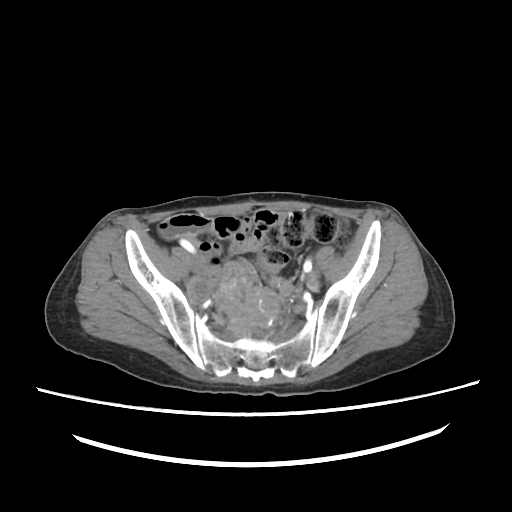 CT abdomen · axial view · Aquilion ONE scanner
Boxes: x1:y1:x2:y2 in pixels.
Organ bounding boxes:
- prostate/uterus: 259:289:284:321